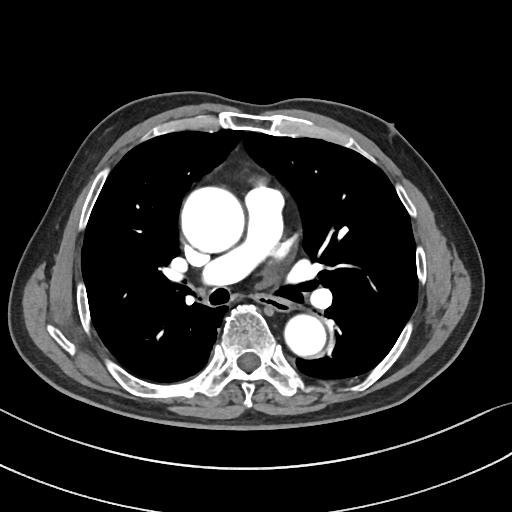
Chest-level slice from an abdominal CT that extends up into the chest; Axial slice 240/306
On a slice this high in the chest, this dataset labels only the esophagus and the aorta, and each is boxed only where it is labeled; the heart, lungs and other chest structures are not labeled.
Boxes: x1:y1:x2:y2 in pixels.
esophagus: 257:295:291:311
aorta: 181:187:244:252
aorta: 284:314:326:356